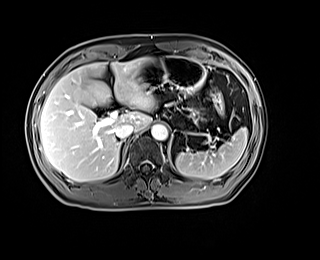 Abdominal MRI — axial view — percentile-normalized — acquired on Prisma
Bounding boxes as [x1, y1, x2, y2] in pixel coordinates. 5 labeled organs on this slice — spleen at [175, 128, 247, 179]; liver at [40, 57, 156, 181]; stomach at [138, 56, 205, 92]; aorta at [151, 124, 167, 140]; inferior vena cava at [115, 124, 133, 138].